Chest-level CT slice, above the liver and spleen · axial view · 48-year-old female patient
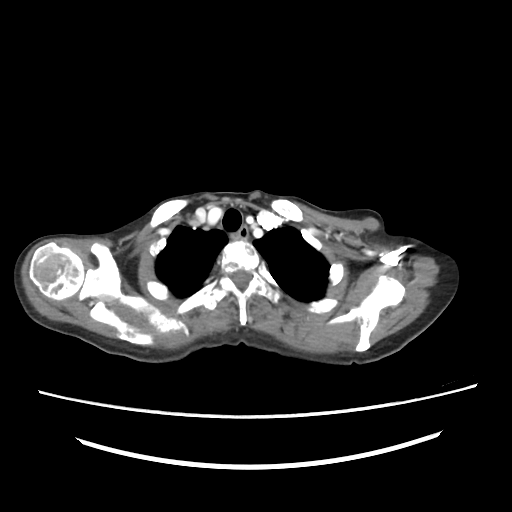 At this level of the chest no structure but the esophagus and the aorta has a label in this dataset, and those two are boxed only where they are labeled.
Boxes are (x1, y1, x2, y2) in pixels.
Organ bounding boxes:
- esophagus: (238, 226, 247, 239)